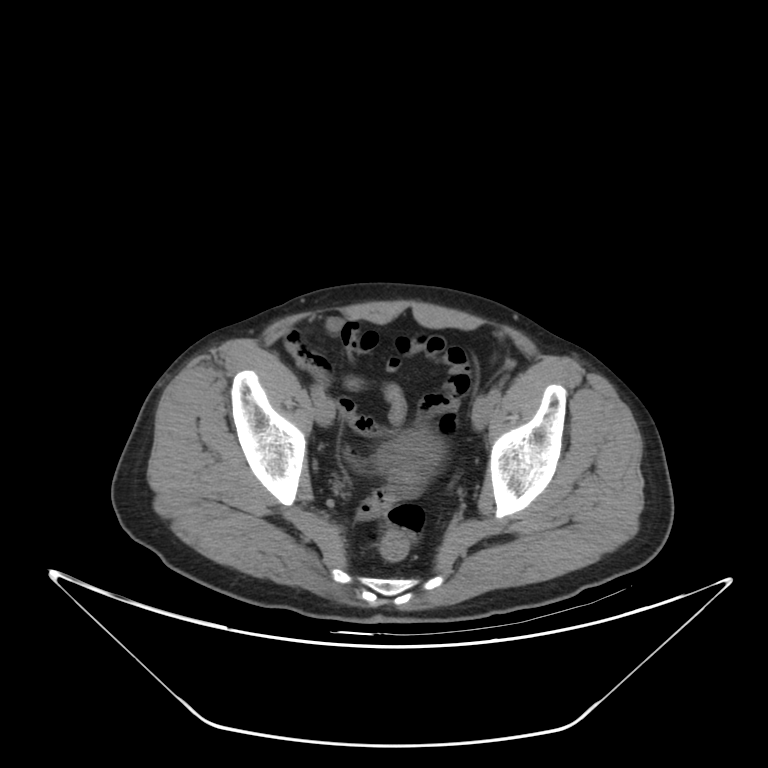

CT abdomen · axial plane, index 25 · 59-year-old male patient · 15 organs annotated in this scan (that count is for the whole scan; organs this slice misses have no box)
{"organs":{"bladder":[377,431,438,479]}}